Abdominal CT · Axial slice 51/87 · abdomen soft-tissue window · 45-year-old male patient · Brilliance16 scanner
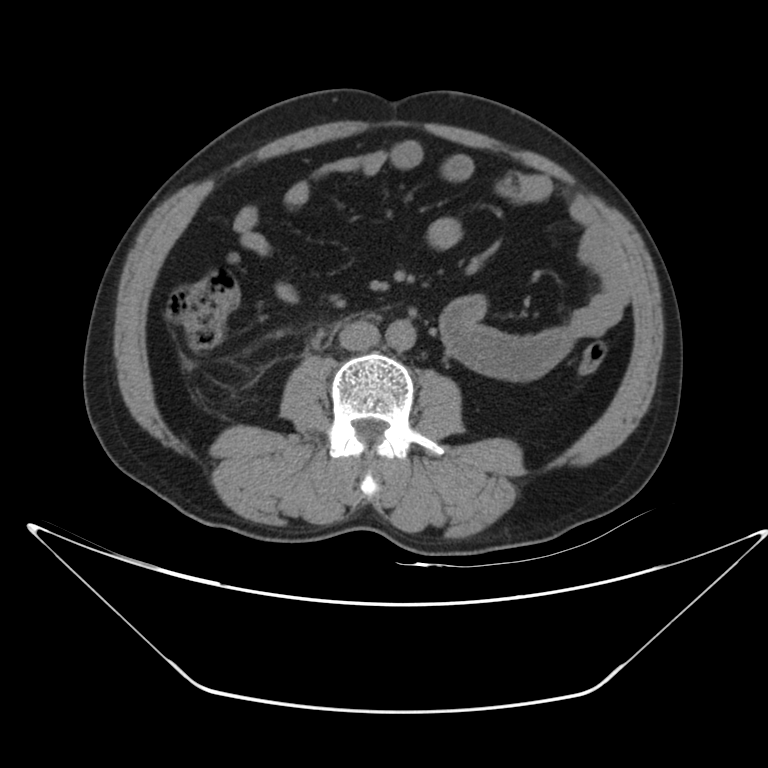 {"organs":{"inferior vena cava":[339,320,379,350],"aorta":[385,320,415,351]}}